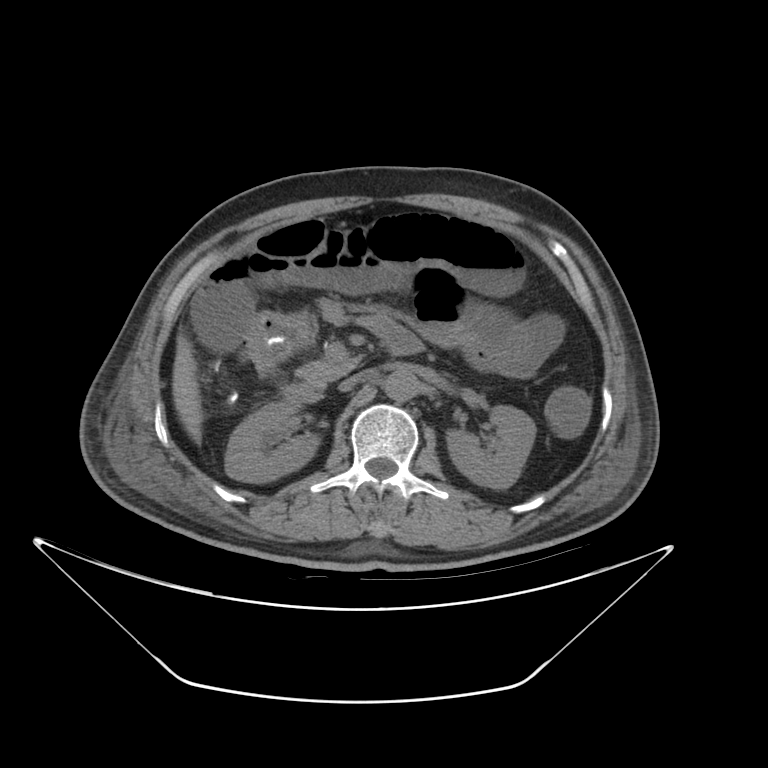
CT, abdomen/pelvis; Axial slice 65/99; 768x768 px; scan has 15 labeled organs (a whole-scan count: organs this slice does not pass through have no box)
Boxes: x1 y1 x2 y2 (pixel coords, space-separated).
Organ bounding boxes:
- right kidney: 223 402 318 483
- liver: 172 331 203 443
- inferior vena cava: 336 368 376 394
- duodenum: 280 384 323 402
- left kidney: 448 406 537 488
- pancreas: 298 356 358 382
- aorta: 382 370 416 401